CT abdomen. axial view
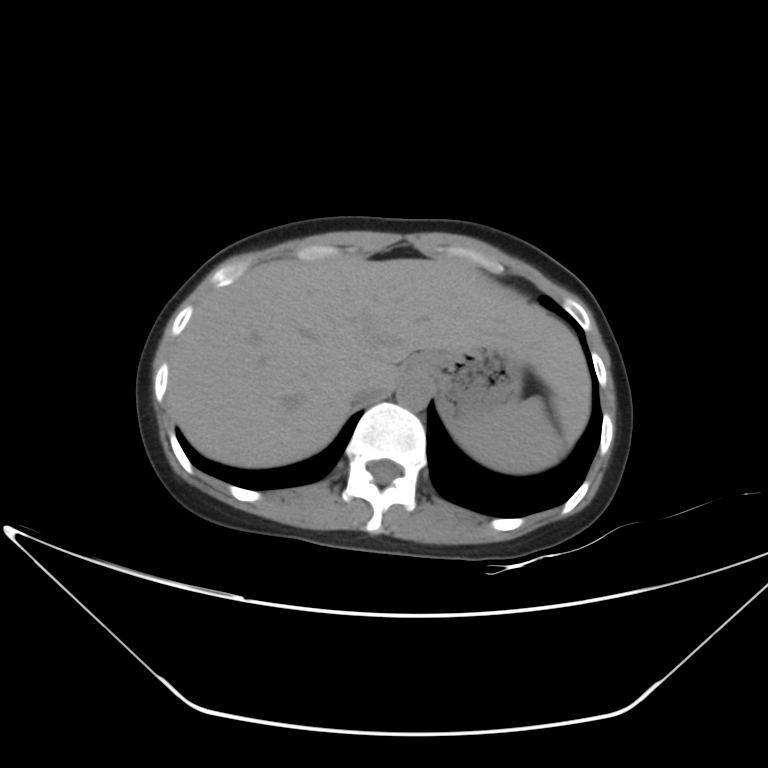
{"organs":{"spleen":[452,397,565,474],"liver":[168,257,590,466],"stomach":[406,348,523,419],"aorta":[395,376,430,410],"inferior vena cava":[350,384,381,399]}}